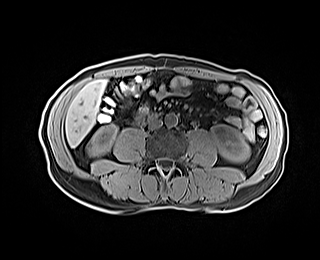

Abdominal MRI · Axial slice 18/72 · 1st–99th percentile window
Each box given as x1,y1,x2,y2.
Organ bounding boxes:
- left kidney: x1=210, y1=124, x2=249, y2=162
- liver: x1=65, y1=79, x2=106, y2=147
- right kidney: x1=87, y1=125, x2=117, y2=156
- duodenum: x1=133, y1=111, x2=164, y2=126
- aorta: x1=165, y1=113, x2=177, y2=126
- gall bladder: x1=121, y1=98, x2=132, y2=108
- inferior vena cava: x1=148, y1=118, x2=161, y2=129